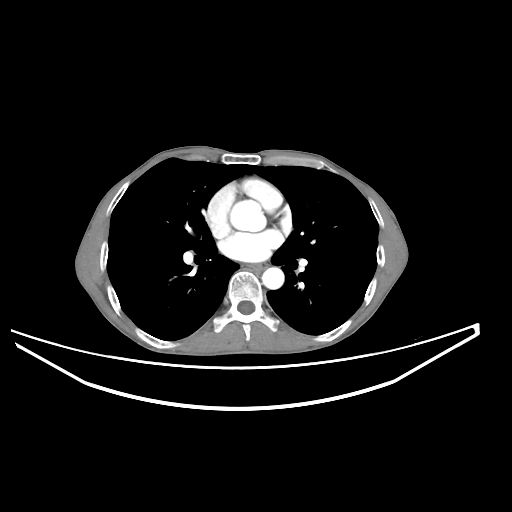

Abdominal CT reaching into the chest; this slice is in the chest; Axial slice 98/131; soft-tissue window; Aquilion ONE scanner
At this level of the chest this dataset labels only the esophagus and the aorta, and each is boxed only where it is labeled; the heart and lungs are never labeled.
Boxes are (x1, y1, x2, y2) in pixels.
Organ bounding boxes:
- esophagus: (250, 263, 265, 271)
- aorta: (231, 201, 265, 231)
- aorta: (262, 267, 284, 289)